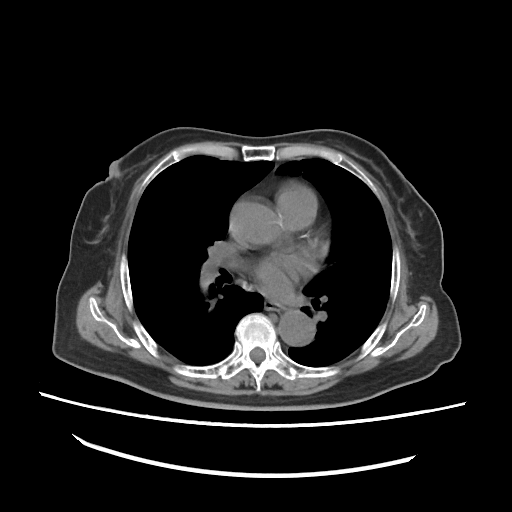 Abdominal CT; this slice is in the lower chest, just above the liver · axial view · soft-tissue window (W 400 / L 40) · scan has 15 labeled organs (a whole-scan count: organs this slice does not pass through have no box)
The heart and lungs are never labeled in this dataset, so they have no box on this slice. Coordinates as <box>x1,y1,x2,y2</box> in pixels. 2 labeled organs on this slice — esophagus at <box>264,301,281,313</box>; aorta at <box>229,204,275,246</box>; aorta at <box>278,312,313,348</box>.